Abdominal CT reaching into the chest; this slice is in the chest. axial view. soft-tissue window, W/L 400/40. 512x512 px. 58-year-old male patient
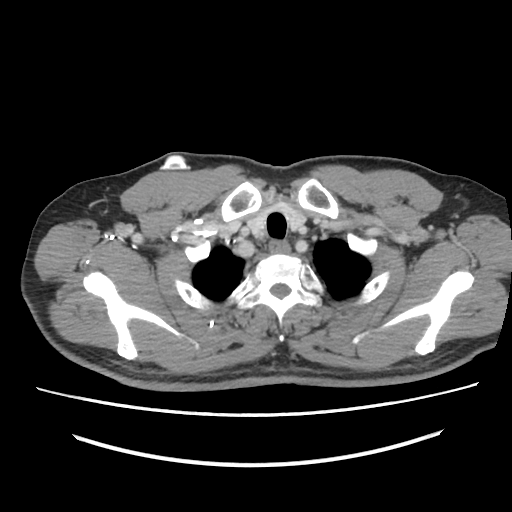 At this level of the chest this dataset labels only the esophagus and the aorta, and each is boxed only where it is labeled; the heart and lungs are never labeled.
Boxes: x1 y1 x2 y2 (pixel coords, space-separated).
esophagus: 269 240 289 254